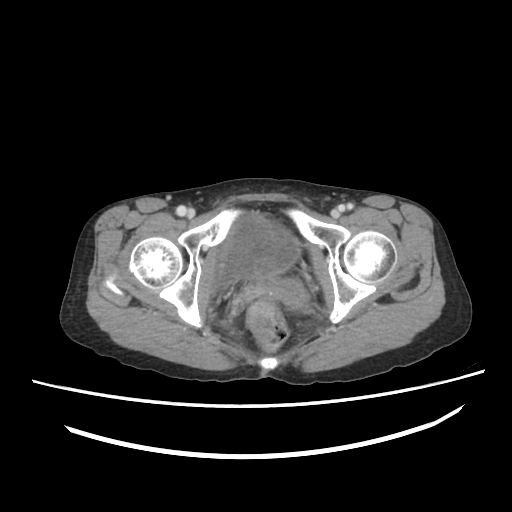 CT, abdomen/pelvis. axial plane, index 11. abdomen soft-tissue window. Aquilion ONE scanner
Bounding boxes in pixels, one row per box: x1, y1 is the top-left corner and x2, y2 the bottom-right.
| organ | x1 | y1 | x2 | y2 |
|---|---|---|---|---|
| bladder | 214 | 212 | 300 | 285 |
| prostate/uterus | 263 | 276 | 309 | 306 |